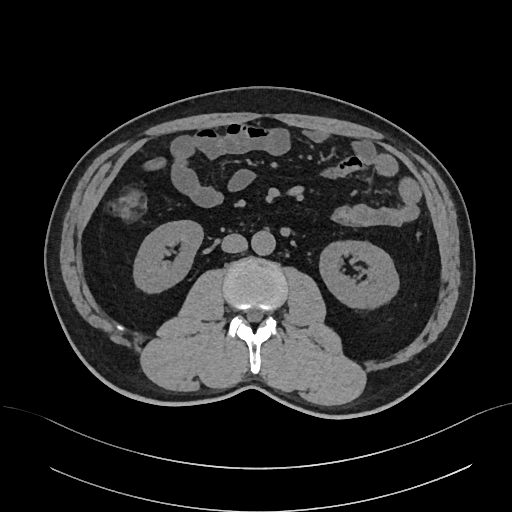

Computed tomography, abdomen; axial view; soft-tissue window (W 400 / L 40); 512x512 px; scan has 15 labeled organs (a whole-scan count: organs this slice does not pass through have no box)
<organs><organ name="right kidney" x1="133" y1="220" x2="202" y2="292"/><organ name="left kidney" x1="320" y1="241" x2="399" y2="308"/><organ name="aorta" x1="251" y1="230" x2="275" y2="255"/><organ name="inferior vena cava" x1="221" y1="233" x2="247" y2="252"/></organs>